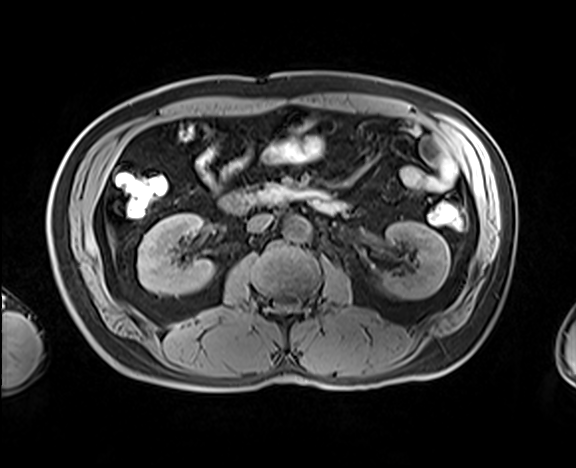

Abdominal MRI — axial view — 1st–99th percentile window — 576x468 px
{"organs":{"right kidney":[138,213,214,295],"left kidney":[380,221,450,299],"aorta":[284,217,311,242],"inferior vena cava":[247,213,273,232],"pancreas":[253,184,328,204],"duodenum":[221,193,345,214]}}